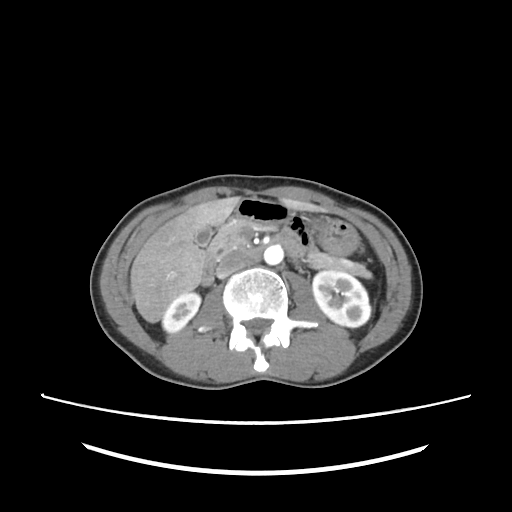
Computed tomography, abdomen. axial plane, index 52. abdomen soft-tissue window
{"organs":{"right kidney":[162,292,200,332],"stomach":[236,198,357,255],"liver":[130,197,325,322],"aorta":[264,245,283,264],"inferior vena cava":[216,253,249,278],"gall bladder":[194,226,212,247],"pancreas":[210,219,368,276],"left kidney":[312,270,370,327],"duodenum":[201,228,303,286]}}